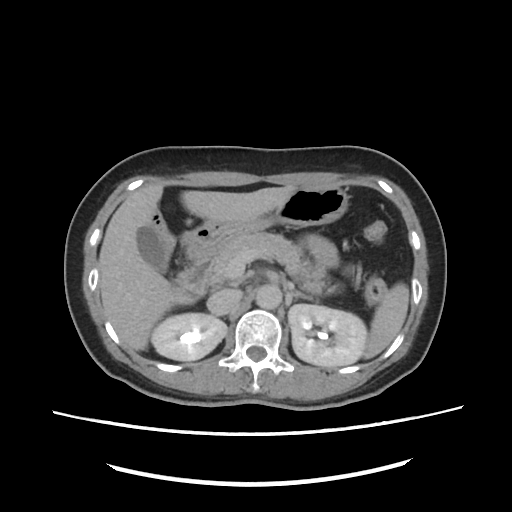
Abdominal CT. Axial slice 65/85. soft-tissue window (W 400 / L 40). 512x512 px. acquired on Aquilion ONE
{"organs":{"left kidney":[287,303,367,366],"aorta":[257,284,281,308],"stomach":[180,184,350,258],"left adrenal gland":[285,288,305,307],"pancreas":[212,232,336,295],"gall bladder":[138,225,166,272],"liver":[99,184,296,350],"spleen":[360,282,409,358],"inferior vena cava":[207,288,242,314],"duodenum":[172,257,216,301],"right kidney":[151,313,227,360]}}